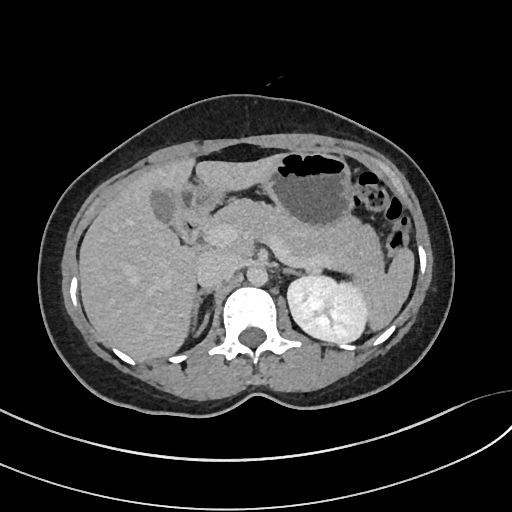
CT abdomen; Axial slice 162/219
Boxes: x1:y1:x2:y2 in pixels.
Organ bounding boxes:
- inferior vena cava: 196:251:238:287
- gall bladder: 148:186:175:225
- right adrenal gland: 192:288:217:332
- liver: 79:155:278:357
- spleen: 350:249:413:328
- stomach: 174:151:351:226
- left adrenal gland: 285:268:300:274
- duodenum: 173:212:209:252
- aorta: 246:266:267:285
- left kidney: 287:273:367:342
- pancreas: 204:198:381:274